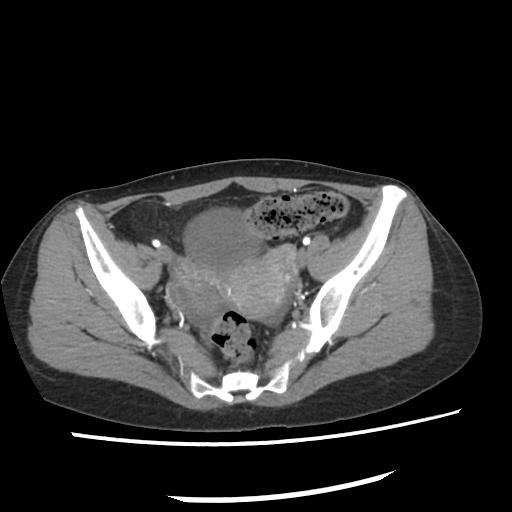

Computed tomography, abdomen. axial view. soft-tissue window (W 400 / L 40)
Bounding boxes in pixels, one row per box: x1, y1 is the top-left corner and x2, y2 the bottom-right.
| organ | x1 | y1 | x2 | y2 |
|---|---|---|---|---|
| bladder | 186 | 210 | 256 | 267 |
| prostate/uterus | 228 | 259 | 289 | 316 |